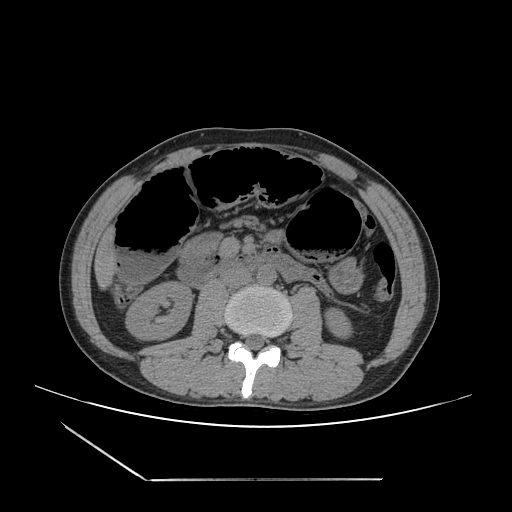
CT, abdomen/pelvis; axial view; soft-tissue window (W 400 / L 40); scan has 15 labeled organs (a whole-scan count: organs this slice does not pass through have no box)
<organs><organ name="liver" x1="95" y1="230" x2="114" y2="285"/><organ name="duodenum" x1="180" y1="247" x2="328" y2="293"/><organ name="left kidney" x1="326" y1="310" x2="350" y2="335"/><organ name="stomach" x1="331" y1="258" x2="361" y2="293"/><organ name="right kidney" x1="127" y1="282" x2="191" y2="338"/><organ name="aorta" x1="256" y1="265" x2="276" y2="284"/><organ name="inferior vena cava" x1="220" y1="269" x2="251" y2="287"/></organs>